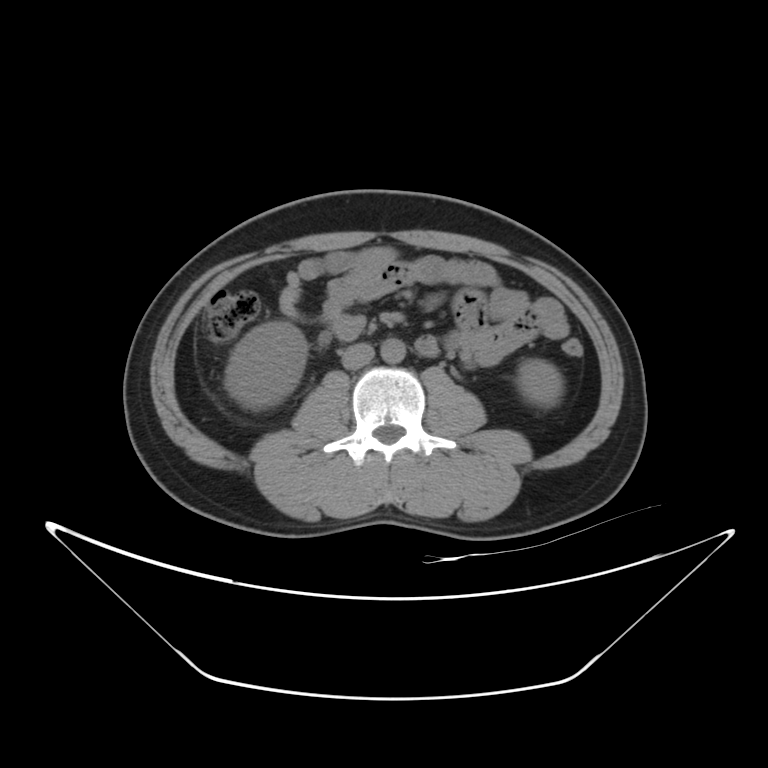
Abdominal CT. axial plane, index 62. 25-year-old male patient
Boxes are (x1, y1, x2, y2) in pixels. The annotated organs in this slice are: right kidney at (223, 321, 307, 411), left kidney at (518, 359, 561, 402), aorta at (381, 338, 406, 363), inferior vena cava at (341, 342, 375, 369).